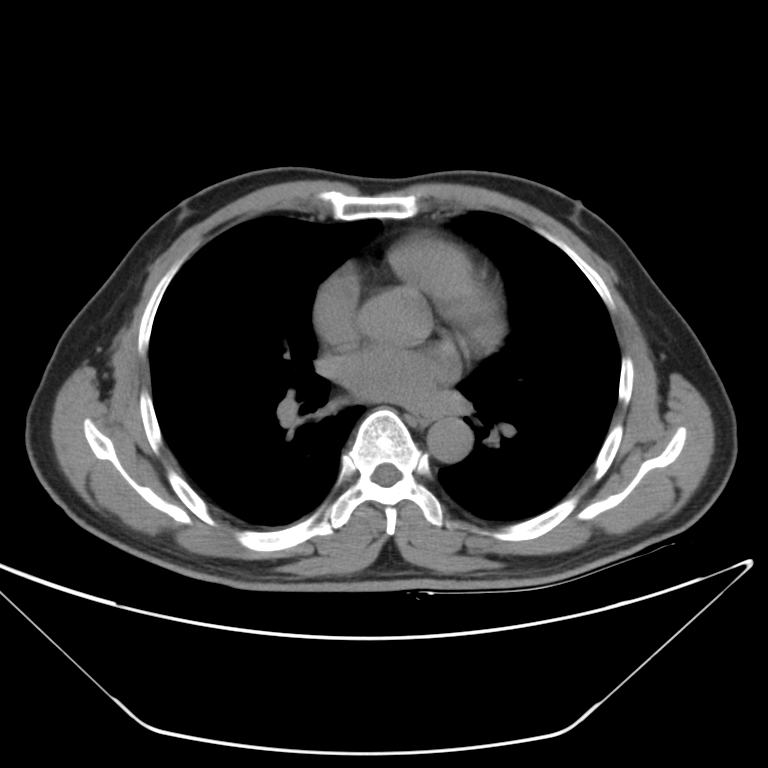 Abdominal CT; this slice is in the lower chest, just above the liver. axial view. soft-tissue window
Of the structures in the chest, this dataset labels only the esophagus, the aorta and the inferior vena cava; the heart and lungs have no label.
Coordinates as <box>x1,y1,x2,y2</box> in pixels.
aorta: <box>422,417,474,461</box>